CT, abdomen/pelvis; axial plane, index 40; abdomen soft-tissue window; 512x512 px; 58-year-old female patient; 15 organs annotated in this scan (counted over the whole 3D scan, not this slice; an organ is boxed only where this slice passes through it)
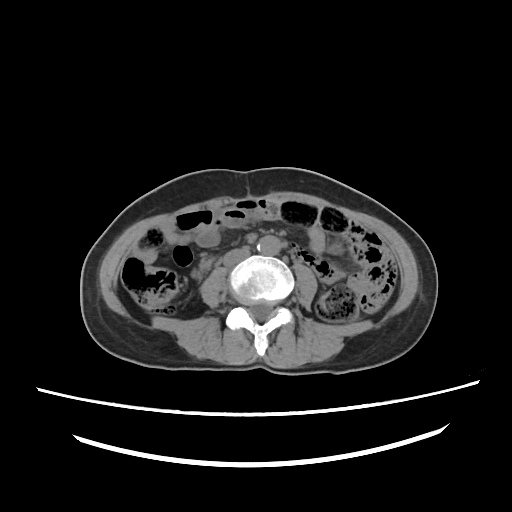 One row per box, in pixels: columns x1 and y1 give the top-left corner, x2 and y2 the bottom-right.
| organ | x1 | y1 | x2 | y2 |
|---|---|---|---|---|
| aorta | 257 | 236 | 281 | 255 |
| inferior vena cava | 223 | 248 | 250 | 265 |